CT abdomen. axial plane, index 67. soft-tissue window. Brilliance16 scanner. 15 organs annotated in this scan (counted over the whole 3D scan, not this slice; an organ is boxed only where this slice passes through it)
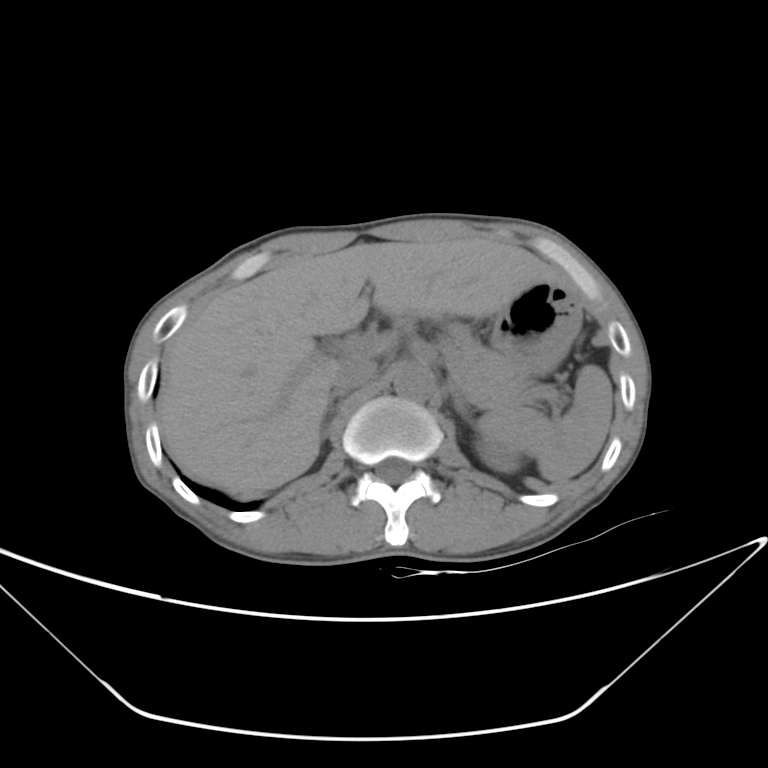
<organs><organ name="inferior vena cava" x1="329" y1="356" x2="378" y2="391"/><organ name="pancreas" x1="442" y1="325" x2="539" y2="407"/><organ name="aorta" x1="392" y1="363" x2="435" y2="401"/><organ name="right adrenal gland" x1="320" y1="392" x2="344" y2="442"/><organ name="left kidney" x1="476" y1="434" x2="524" y2="473"/><organ name="spleen" x1="479" y1="365" x2="613" y2="482"/><organ name="stomach" x1="489" y1="283" x2="581" y2="376"/><organ name="liver" x1="159" y1="235" x2="562" y2="498"/><organ name="left adrenal gland" x1="448" y1="385" x2="471" y2="418"/></organs>